Computed tomography, abdomen; axial plane, index 180; soft-tissue window
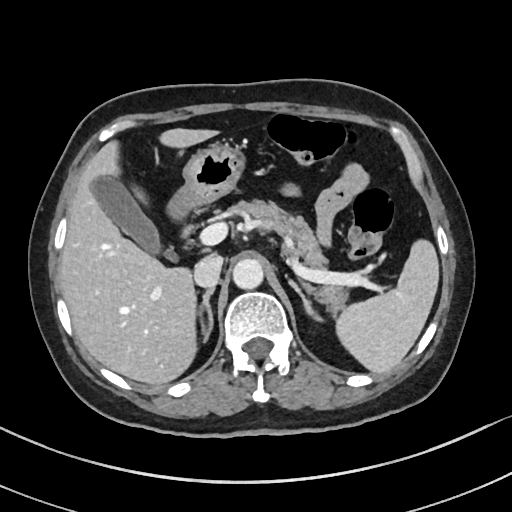
Boxes: x1:y1:x2:y2 in pixels. Labeled organs on this slice: spleen at 336:239:439:373, liver at 59:128:218:385, gall bladder at 91:176:161:254, aorta at 232:259:263:289, left adrenal gland at 289:281:323:320, right adrenal gland at 197:288:214:341, stomach at 167:144:245:218, pancreas at 230:199:347:310, inferior vena cava at 193:256:222:288.